Abdominal CT; Axial slice 85/99; W/L 400/40 HU; 56-year-old male patient; Brilliance16 scanner; scan has 14 labeled organs (that count is for the whole scan; organs this slice misses have no box)
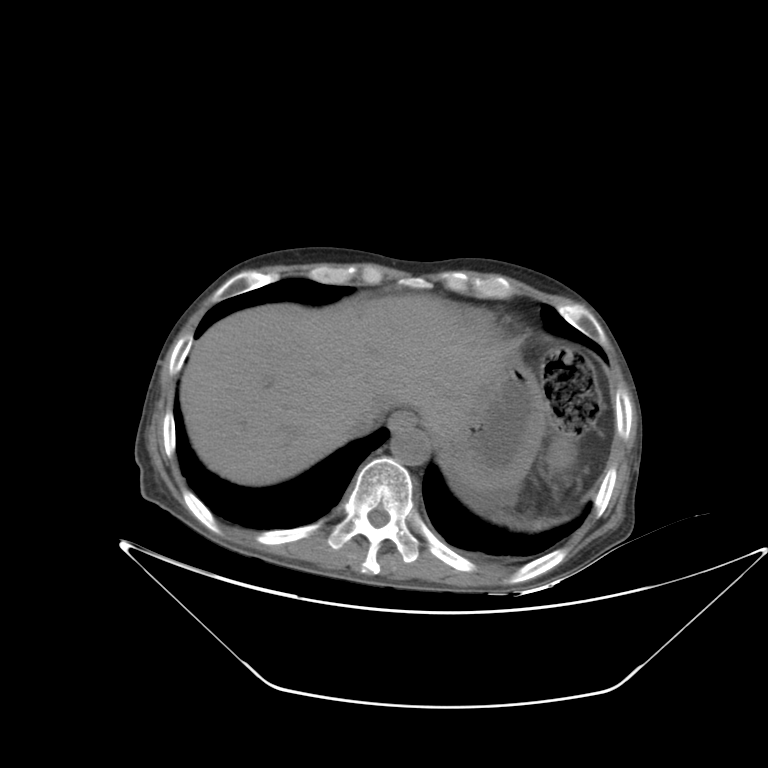 {"organs":{"spleen":[552,449,570,466],"esophagus":[388,411,417,430],"liver":[180,294,514,485],"stomach":[435,353,549,491],"aorta":[390,427,430,465],"inferior vena cava":[342,401,384,436]}}